Computed tomography, abdomen — Axial slice 80/89 — 512x512 px — 15 organs annotated in this scan (counted over the whole 3D scan, not this slice; an organ is boxed only where this slice passes through it)
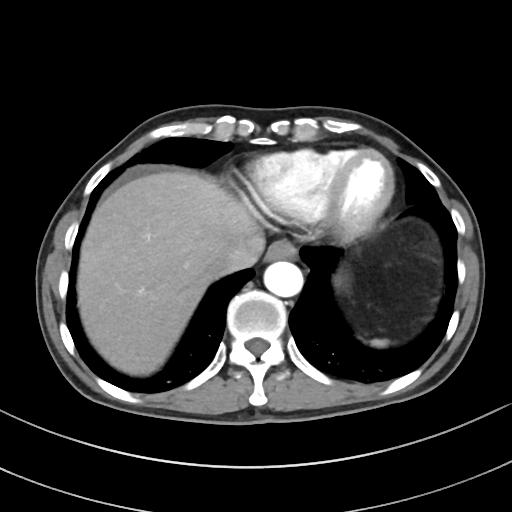

One row per box, in pixels: columns x1 and y1 give the top-left corner, x2 and y2 the bottom-right.
| organ | x1 | y1 | x2 | y2 |
|---|---|---|---|---|
| spleen | 371 | 339 | 388 | 347 |
| esophagus | 265 | 240 | 296 | 261 |
| liver | 77 | 171 | 259 | 375 |
| stomach | 334 | 272 | 347 | 288 |
| aorta | 264 | 261 | 303 | 297 |
| inferior vena cava | 217 | 234 | 264 | 273 |